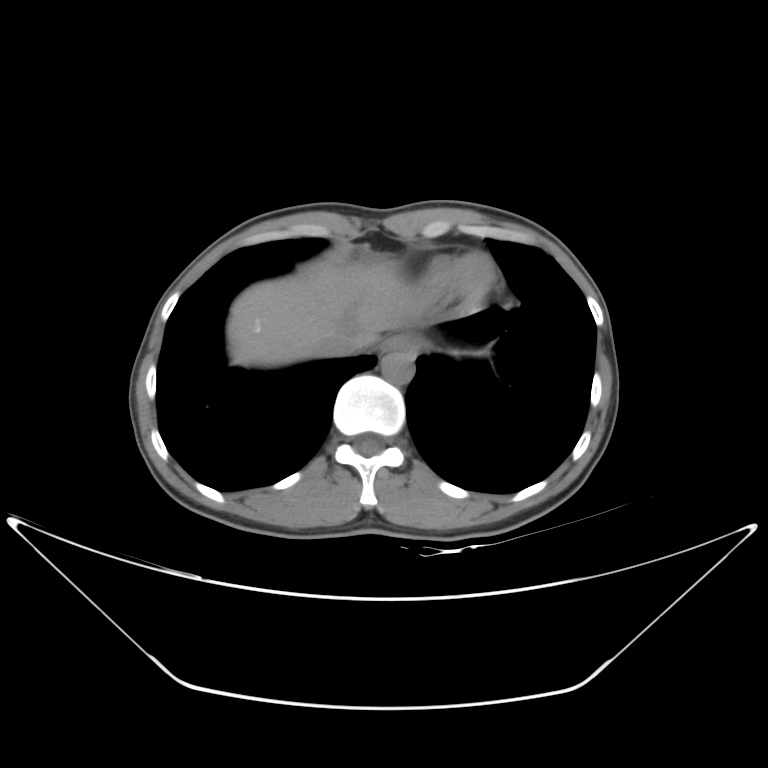

Computed tomography, abdomen; axial plane, index 80; abdomen soft-tissue window; 30-year-old male patient; 15 organs annotated in this scan (a whole-scan count: organs this slice does not pass through have no box)
Box edges are left/top/right/bottom in pixels. 4 labeled organs on this slice — esophagus at left=380, top=333, right=420, bottom=356; liver at left=226, top=257, right=415, bottom=366; aorta at left=381, top=353, right=414, bottom=384; inferior vena cava at left=316, top=328, right=370, bottom=356.